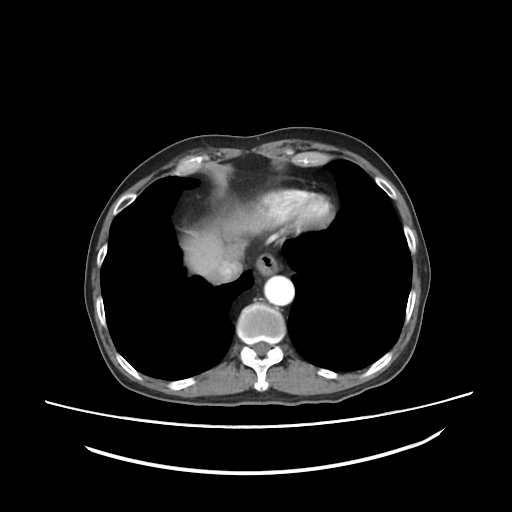 CT abdomen; axial view; scan has 15 labeled organs (a whole-scan count: organs this slice does not pass through have no box)
<organs><organ name="aorta" x1="264" y1="275" x2="294" y2="305"/><organ name="inferior vena cava" x1="215" y1="253" x2="242" y2="282"/><organ name="esophagus" x1="256" y1="254" x2="276" y2="275"/><organ name="liver" x1="183" y1="213" x2="259" y2="282"/></organs>